Computed tomography, abdomen; axial view; 768x768 px; scan has 15 labeled organs (counted over the whole 3D scan, not this slice; an organ is boxed only where this slice passes through it)
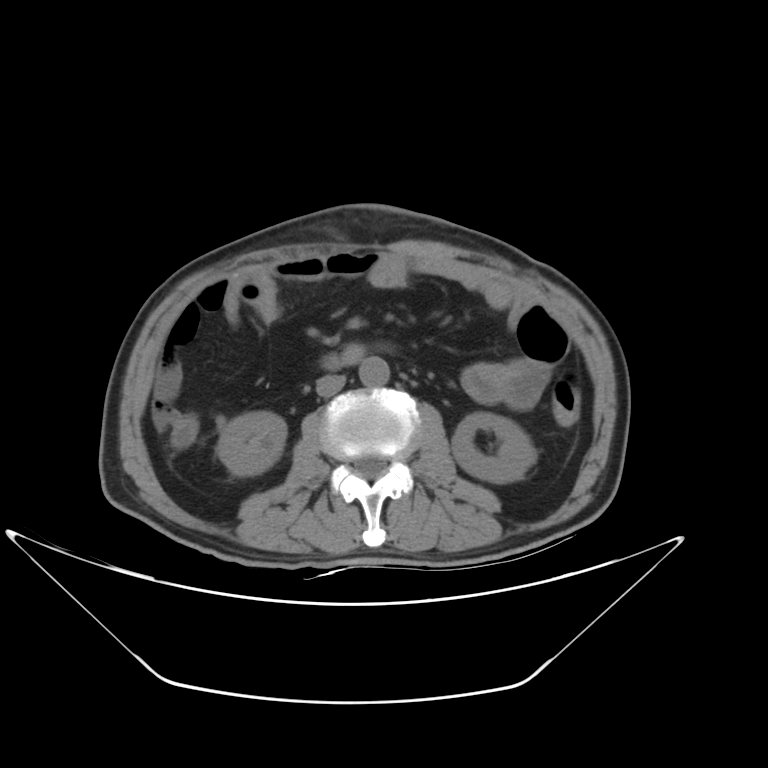 Each box given as x1,y1,x2,y2.
Organ bounding boxes:
- left kidney: x1=451, y1=412, x2=536, y2=482
- duodenum: x1=322, y1=345, x2=364, y2=369
- right kidney: x1=216, y1=411, x2=286, y2=476
- inferior vena cava: x1=315, y1=375, x2=345, y2=397
- aorta: x1=359, y1=356, x2=389, y2=387